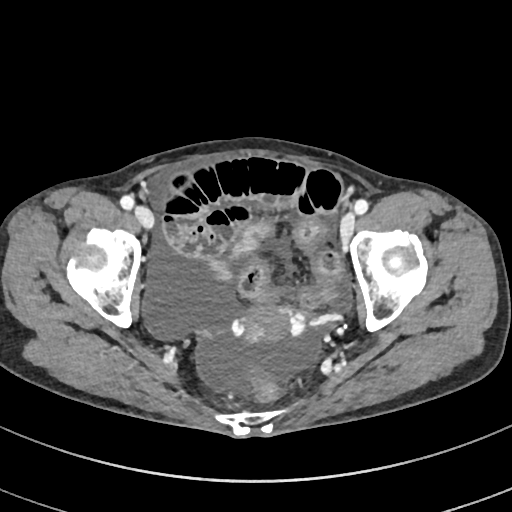

Computed tomography, abdomen; axial plane, index 30; W/L 400/40 HU; acquired on SOMATOM Force
{"organs":{"prostate/uterus":[240,303,301,340]}}